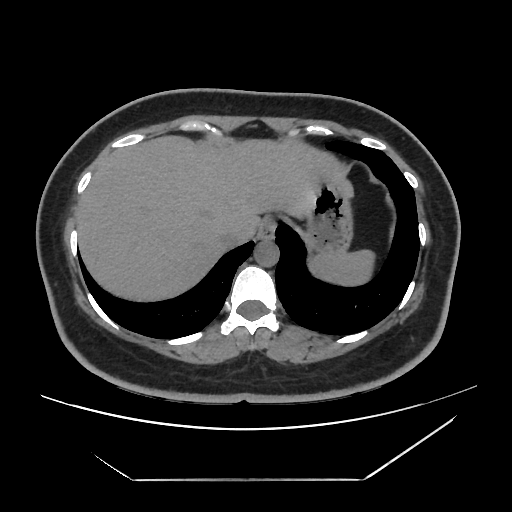 Computed tomography, abdomen. axial plane, index 284. soft-tissue window. 15 organs annotated in this scan (counted over the whole 3D scan, not this slice; an organ is boxed only where this slice passes through it)
One row per box, in pixels: columns x1 and y1 give the top-left corner, x2 and y2 the bottom-right.
| organ | x1 | y1 | x2 | y2 |
|---|---|---|---|---|
| spleen | 307 | 250 | 374 | 286 |
| esophagus | 258 | 215 | 277 | 239 |
| liver | 78 | 135 | 345 | 303 |
| stomach | 298 | 166 | 353 | 256 |
| aorta | 254 | 240 | 279 | 265 |
| inferior vena cava | 221 | 223 | 256 | 248 |